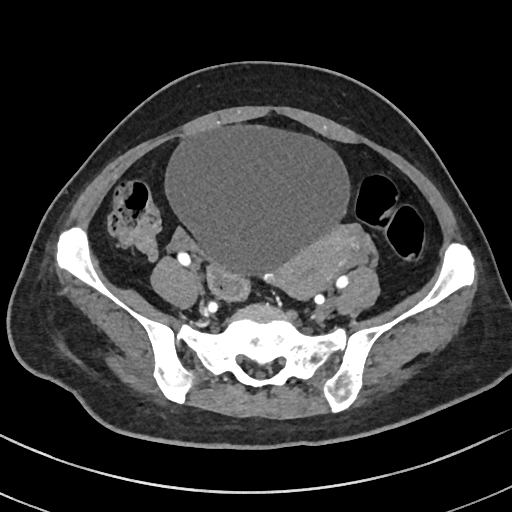
CT, abdomen/pelvis. axial view. soft-tissue window. 512x512 px
Boxes: x1:y1:x2:y2 in pixels.
bladder: 165:126:348:275
prostate/uterus: 273:231:355:298